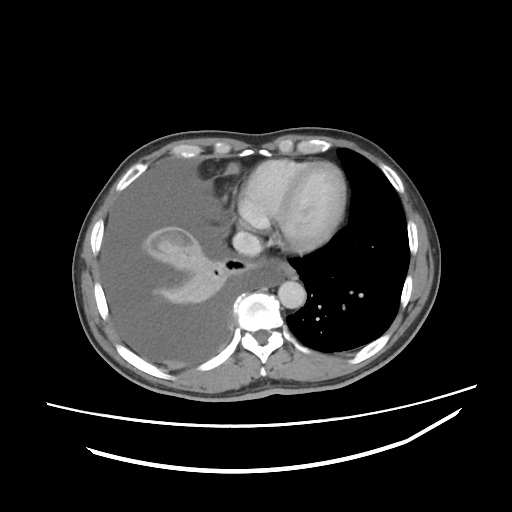

Abdominal CT; this slice is in the lower chest, just above the liver · Axial slice 91/131 · 49-year-old male patient · acquired on Aquilion ONE
Of the structures in the chest, this dataset labels only the esophagus, the aorta and the inferior vena cava; the heart and lungs have no label. Boxes are (x1, y1, x2, y2) in pixels. Labeled organs on this slice: esophagus at (276, 261, 295, 277), aorta at (278, 281, 305, 308), inferior vena cava at (232, 231, 262, 256).